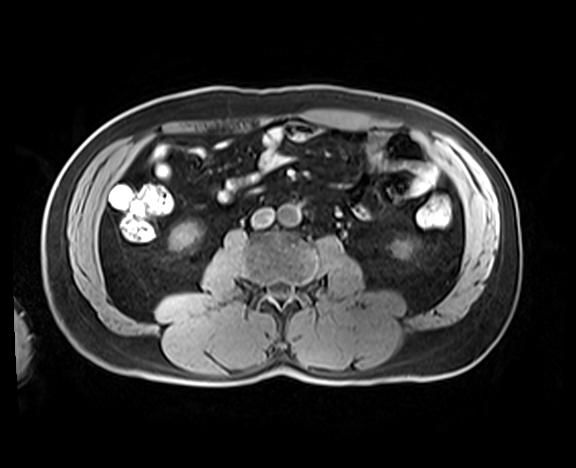

Magnetic resonance imaging, abdomen; axial view; percentile-normalized; 576x468 px
Box edges are left/top/right/bottom in pixels.
right kidney: left=170, top=222, right=199, bottom=250
left kidney: left=392, top=240, right=411, bottom=259
aorta: left=278, top=204, right=300, bottom=226
inferior vena cava: left=252, top=207, right=275, bottom=230